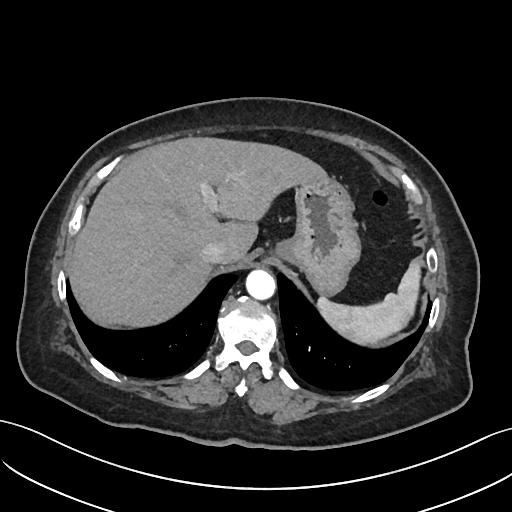

Abdominal CT. axial view. W/L 400/40 HU. 512x512 px. acquired on SOMATOM Force
Boxes: x1:y1:x2:y2 in pixels.
spleen: 317:259:421:345
liver: 70:137:327:327
stomach: 275:176:360:295
aorta: 246:269:275:300
inferior vena cava: 201:242:227:264